CT, abdomen/pelvis. axial plane, index 111. 512x512 px
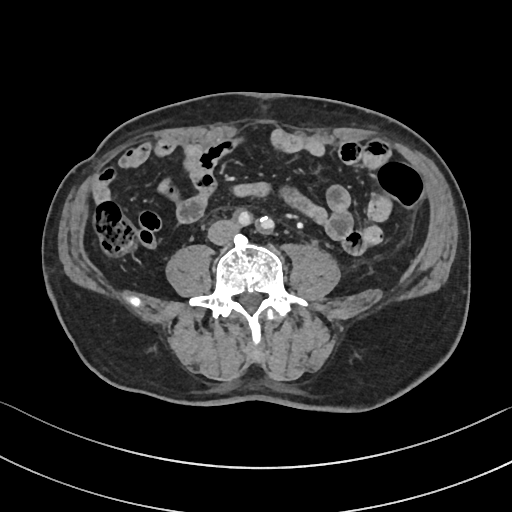
Each box given as x1,y1,x2,y2. 1 labeled organ on this slice — inferior vena cava at x1=208, y1=221, x2=235, y2=244.